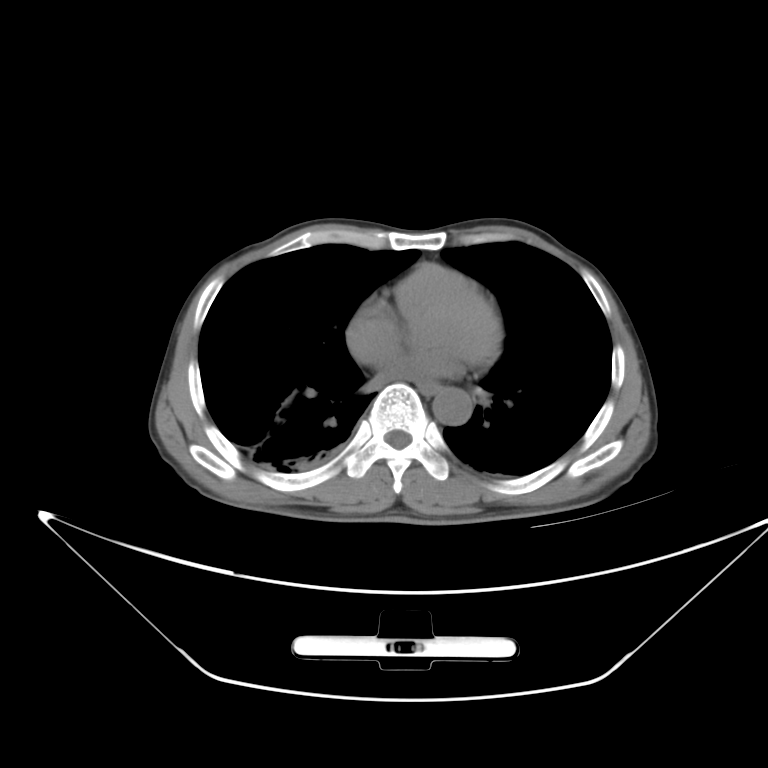

CT of the abdomen reaching into the lower chest, slice just above the liver and spleen · axial view · 768x768 px · 51-year-old male patient
Of the structures in the chest, this dataset labels only the esophagus, the aorta and the inferior vena cava; the heart and lungs have no label. Box edges are left/top/right/bottom in pixels. Labeled organs on this slice: esophagus at left=418, top=384, right=439, bottom=394, aorta at left=433, top=389, right=471, bottom=426.